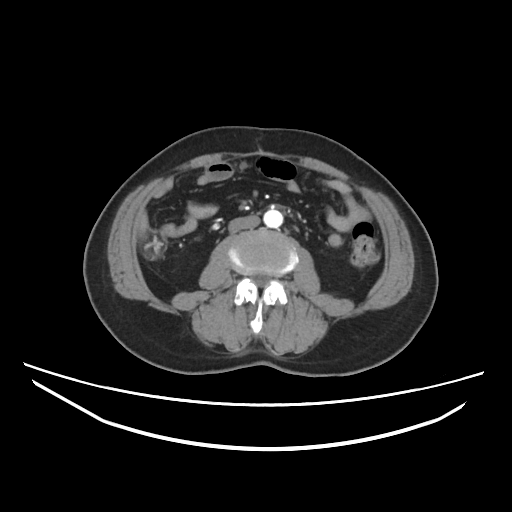

CT, abdomen/pelvis. axial view. soft-tissue window
Boxes are (x1, y1, x2, y2) in pixels.
Organ bounding boxes:
- aorta: (263, 209, 283, 227)
- inferior vena cava: (228, 215, 259, 232)